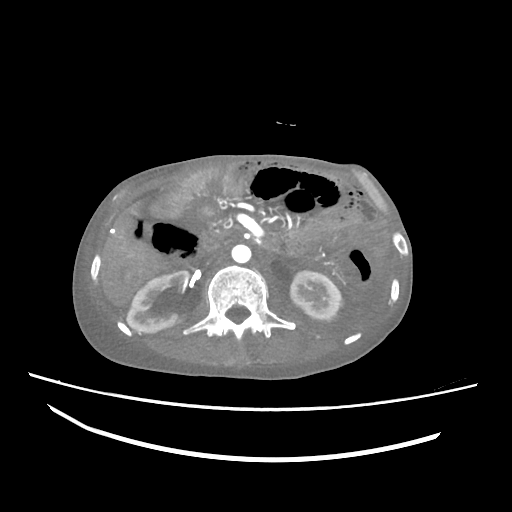

CT, abdomen/pelvis. axial plane, index 59. W/L 400/40 HU. Aquilion ONE scanner
{"organs":{"right kidney":[126,271,187,333],"left kidney":[290,270,341,320],"liver":[100,203,163,306],"aorta":[231,244,251,263],"inferior vena cava":[205,249,225,265],"pancreas":[210,230,232,240],"duodenum":[196,230,277,258]}}